CT abdomen · axial view
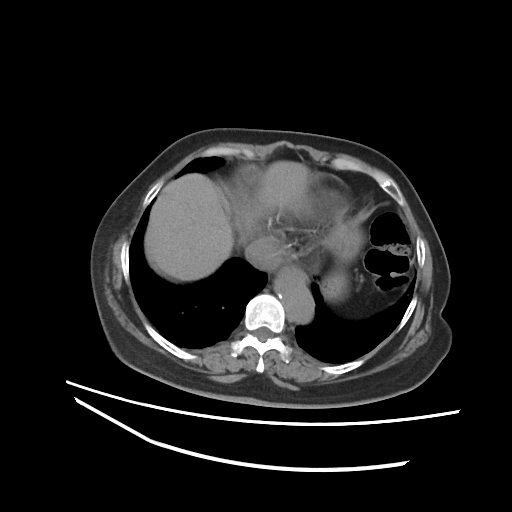 Coordinates as <box>x1,y1,x2,y2</box> in pixels.
Organ bounding boxes:
- esophagus: <box>278,265,305,283</box>
- liver: <box>145,161,309,281</box>
- stomach: <box>322,220,363,300</box>
- aorta: <box>274,275,313,323</box>
- inferior vena cava: <box>245,236,281,270</box>